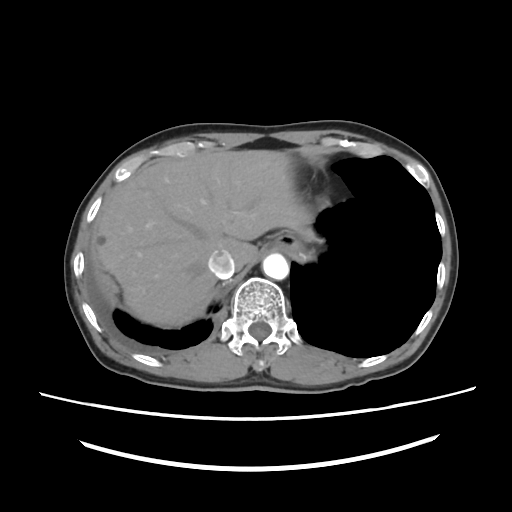

CT, abdomen/pelvis · Axial slice 78/134 · soft-tissue window (W 400 / L 40) · scan has 15 labeled organs (that count is for the whole scan; organs this slice misses have no box)
{"organs":{"liver":[94,150,315,327],"aorta":[262,253,289,280],"stomach":[276,234,302,253],"inferior vena cava":[208,250,235,278]}}